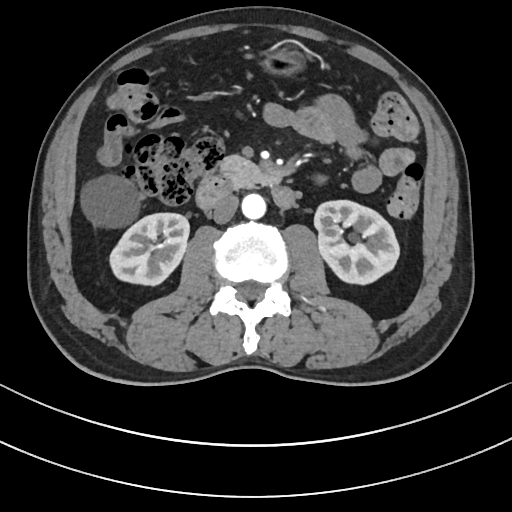
Computed tomography, abdomen · axial view · soft-tissue window (W 400 / L 40) · 512x512 px · scan has 15 labeled organs (a whole-scan count: organs this slice does not pass through have no box)
<organs><organ name="right kidney" x1="109" y1="213" x2="189" y2="285"/><organ name="left kidney" x1="314" y1="200" x2="399" y2="284"/><organ name="liver" x1="82" y1="176" x2="134" y2="226"/><organ name="stomach" x1="261" y1="45" x2="305" y2="75"/><organ name="aorta" x1="241" y1="193" x2="266" y2="218"/><organ name="inferior vena cava" x1="212" y1="194" x2="238" y2="223"/><organ name="pancreas" x1="221" y1="155" x2="280" y2="188"/><organ name="duodenum" x1="196" y1="173" x2="295" y2="210"/></organs>